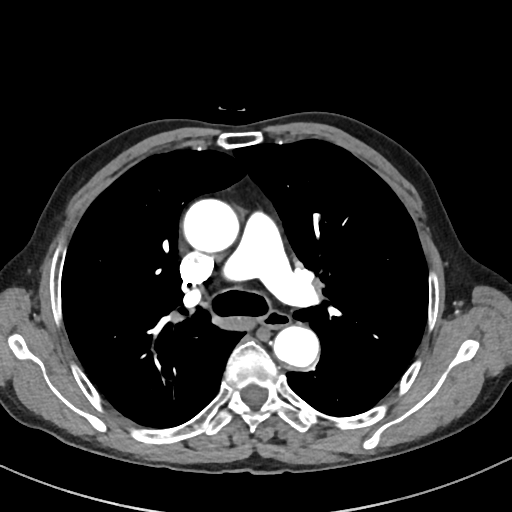 CT of the abdomen extending into the chest, slice through the chest; axial view; soft-tissue window
On a slice this high in the chest, this dataset labels only the esophagus and the aorta, and each is boxed only where it is labeled; the heart, lungs and other chest structures are not labeled.
Box edges are left/top/right/bottom in pixels.
esophagus: left=261, top=310, right=289, bottom=328
aorta: left=183, top=199, right=240, bottom=253
aorta: left=274, top=326, right=318, bottom=368